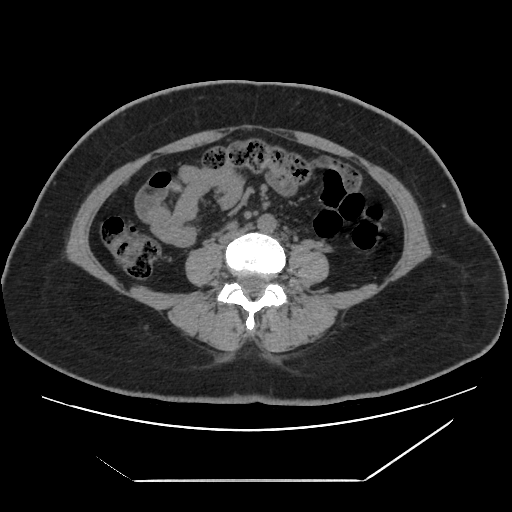 Computed tomography, abdomen — axial view — abdomen soft-tissue window — SOMATOM Force scanner — 15 organs annotated in this scan (a whole-scan count: organs this slice does not pass through have no box)
Bounding boxes in pixels, one row per box: x1, y1 is the top-left corner and x2, y2 the bottom-right.
| organ | x1 | y1 | x2 | y2 |
|---|---|---|---|---|
| inferior vena cava | 220 | 226 | 250 | 243 |
| aorta | 257 | 214 | 276 | 233 |